CT, abdomen/pelvis — axial view — W/L 400/40 HU — 512x512 px
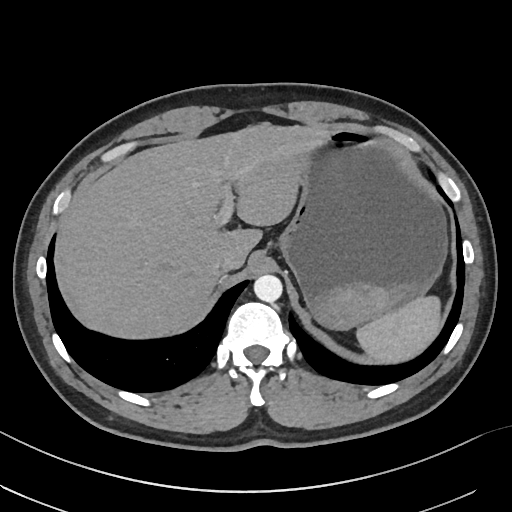

Bounding boxes in pixels, one row per box: x1, y1 is the top-left corner and x2, y2 the bottom-right.
| organ | x1 | y1 | x2 | y2 |
|---|---|---|---|---|
| spleen | 356 | 296 | 440 | 363 |
| liver | 62 | 123 | 327 | 338 |
| stomach | 278 | 131 | 447 | 330 |
| aorta | 254 | 274 | 282 | 302 |
| inferior vena cava | 211 | 252 | 239 | 274 |